CT abdomen — axial view — soft-tissue window — Aquilion ONE scanner — 15 organs annotated in this scan (counted over the whole 3D scan, not this slice; an organ is boxed only where this slice passes through it)
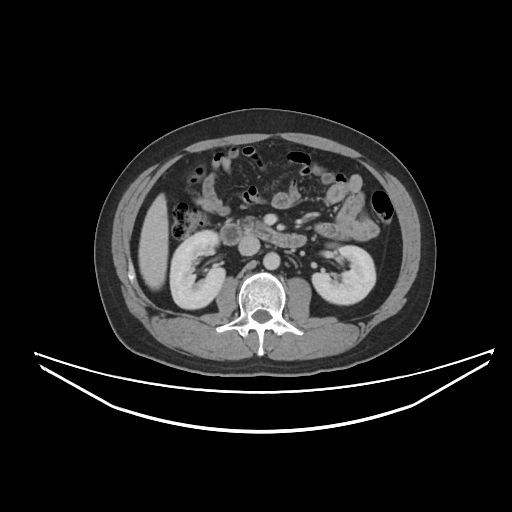
Bounding boxes as [x1, y1, x2, y2] in pixel coordinates.
right kidney: [170, 230, 225, 309]
left kidney: [312, 245, 375, 304]
liver: [138, 193, 168, 289]
aorta: [263, 252, 280, 269]
inferior vena cava: [238, 235, 259, 255]
pancreas: [240, 216, 259, 229]
duodenum: [220, 223, 306, 248]